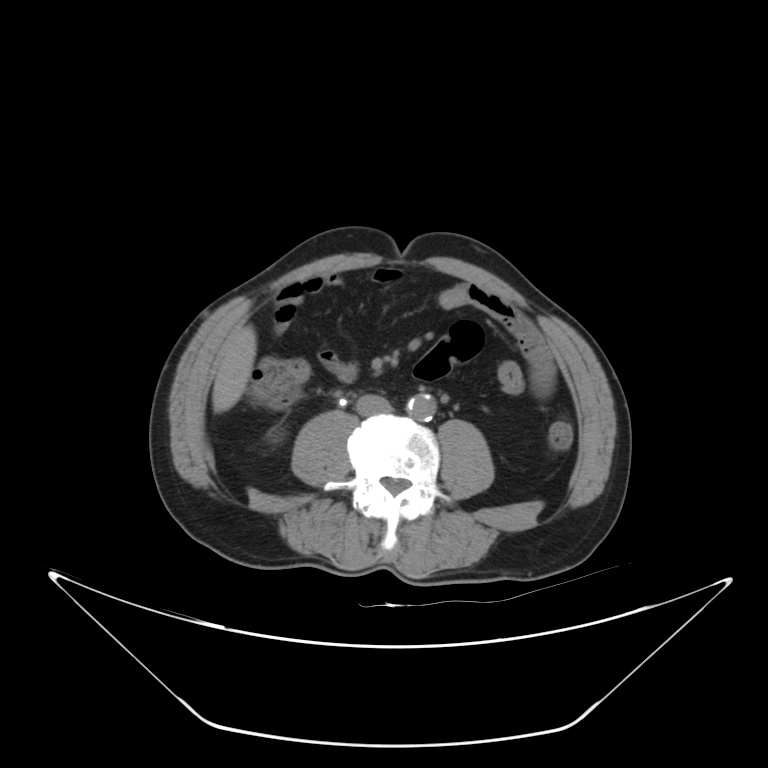

Computed tomography, abdomen · axial view · 59-year-old male patient
Bounding boxes as [x1, y1, x2, y2] in pixel coordinates.
right kidney: [268, 429, 283, 442]
liver: [212, 325, 256, 413]
aorta: [407, 393, 436, 420]
inferior vena cava: [356, 394, 391, 415]